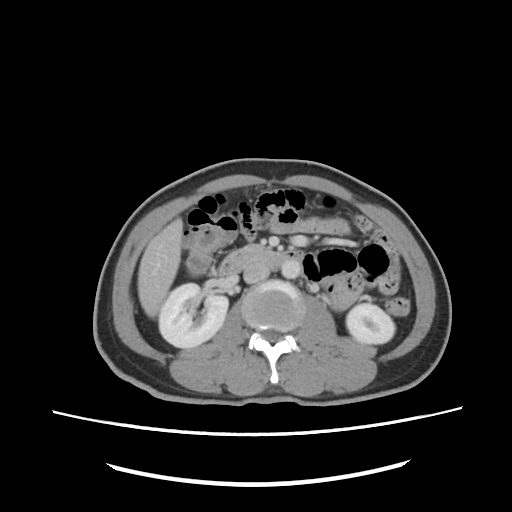
CT abdomen; Axial slice 58/123; 512x512 px; acquired on Aquilion ONE; 15 organs annotated in this scan (a whole-scan count: organs this slice does not pass through have no box)
{"organs":{"right kidney":[159,283,228,348],"left kidney":[346,303,394,343],"liver":[138,218,182,317],"aorta":[281,260,301,278],"inferior vena cava":[243,262,269,283],"pancreas":[244,245,262,250],"duodenum":[216,248,302,276]}}